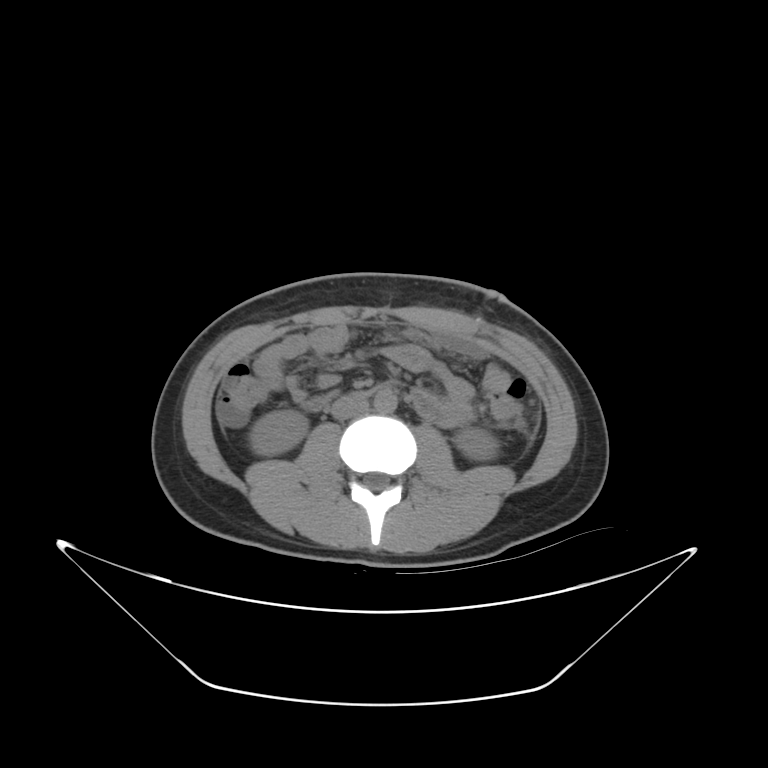
Computed tomography, abdomen — axial view — W/L 400/40 HU — 16-year-old male patient
{"organs":{"right kidney":[251,409,305,457],"left kidney":[454,427,497,459],"aorta":[374,391,395,412],"inferior vena cava":[330,394,368,421],"duodenum":[300,389,341,411]}}